Computed tomography, abdomen · axial view · 768x768 px
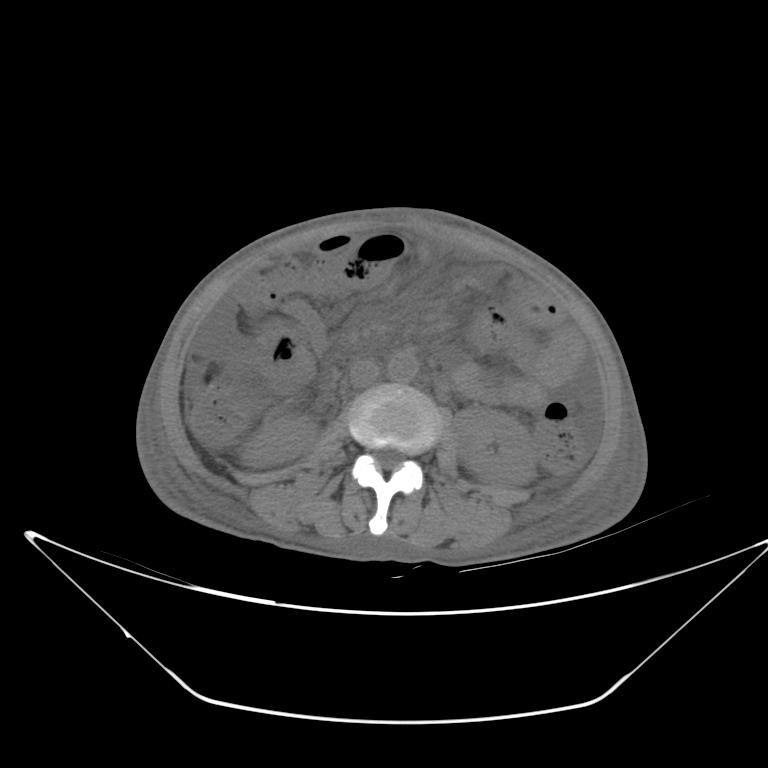
Coordinates as <box>x1,y1,x2,y2</box> in pixels.
right kidney: <box>241,415,316,467</box>
left kidney: <box>454,408,535,487</box>
aorta: <box>388,351,418,381</box>
inferior vena cava: <box>350,359,379,388</box>